CT, abdomen/pelvis — axial view — 15 organs annotated in this scan (that count is for the whole scan; organs this slice misses have no box)
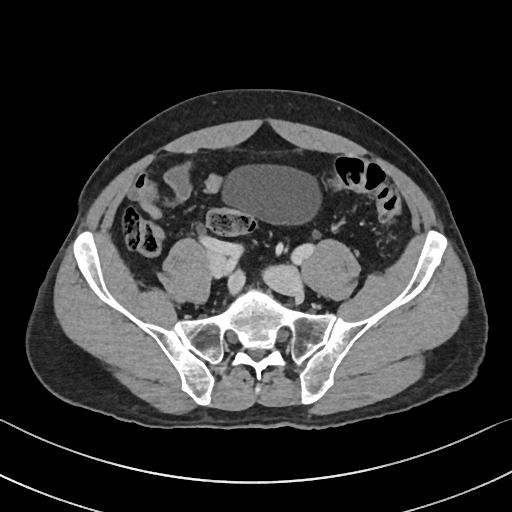
Box edges are left/top/right/bottom in pixels.
Organ bounding boxes:
- bladder: left=222, top=166, right=320, bottom=223